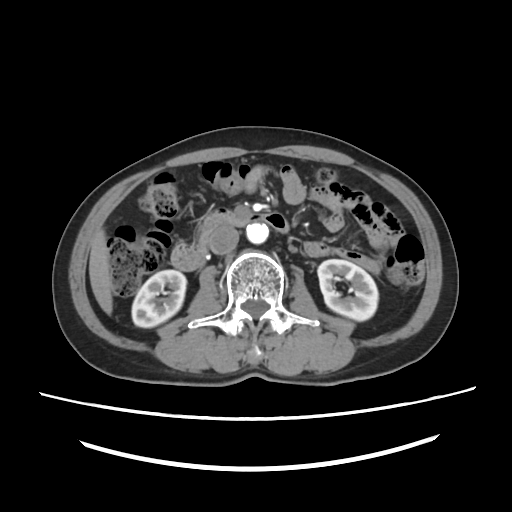

Computed tomography, abdomen. axial plane, index 56. soft-tissue window. 65-year-old male patient. scan has 15 labeled organs (that count is for the whole scan; organs this slice misses have no box)
Organ boxes in pixel coordinates; each row gives the top-left (x1, y1) and bottom-right (x2, y2) corners.
| organ | x1 | y1 | x2 | y2 |
|---|---|---|---|---|
| right kidney | 131 | 269 | 186 | 327 |
| left kidney | 317 | 259 | 378 | 320 |
| liver | 89 | 229 | 112 | 314 |
| aorta | 246 | 223 | 268 | 244 |
| inferior vena cava | 209 | 225 | 239 | 254 |
| duodenum | 171 | 210 | 289 | 270 |